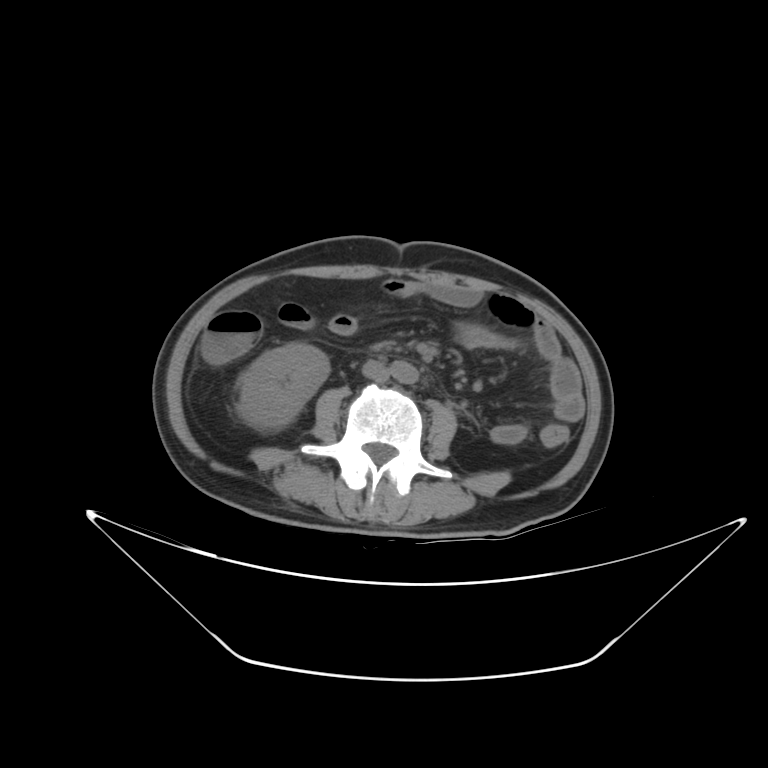 CT abdomen; axial view; W/L 400/40 HU; 15 organs annotated in this scan (that count is for the whole scan; organs this slice misses have no box)
{"organs":{"right kidney":[237,343,329,429],"aorta":[390,361,418,383],"inferior vena cava":[362,360,390,382]}}